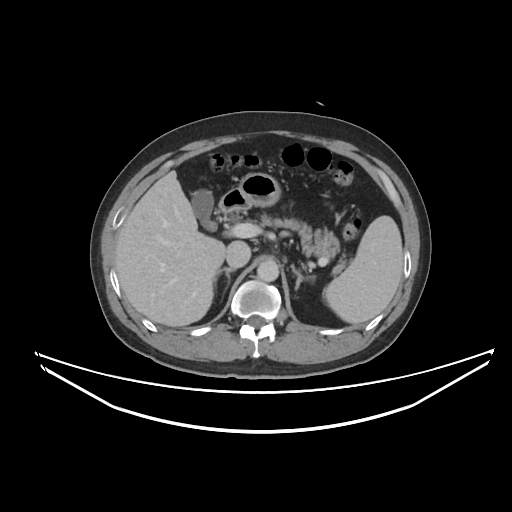

Abdominal CT; axial view; abdomen soft-tissue window; scan has 15 labeled organs (counted over the whole 3D scan, not this slice; an organ is boxed only where this slice passes through it)
Coordinates as <box>x1,y1,x2,y2</box> in pixels.
Organ bounding boxes:
- left adrenal gland: <box>291,265,314,289</box>
- inferior vena cava: <box>226,241,250,268</box>
- aorta: <box>257,260,278,281</box>
- stomach: <box>233,173,280,207</box>
- spleen: <box>323,215,402,323</box>
- duodenum: <box>219,190,247,216</box>
- gall bladder: <box>191,189,216,230</box>
- liver: <box>115,170,226,326</box>
- pancreas: <box>261,214,346,274</box>
- right adrenal gland: <box>214,267,235,295</box>